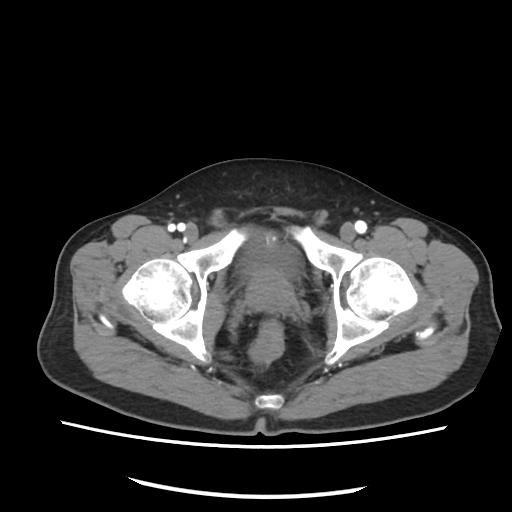

CT abdomen. axial view. W/L 400/40 HU. 66-year-old male patient
Boxes are (x1, y1, x2, y2) in pixels.
bladder: (240, 241, 297, 277)
prostate/uterus: (245, 274, 292, 309)